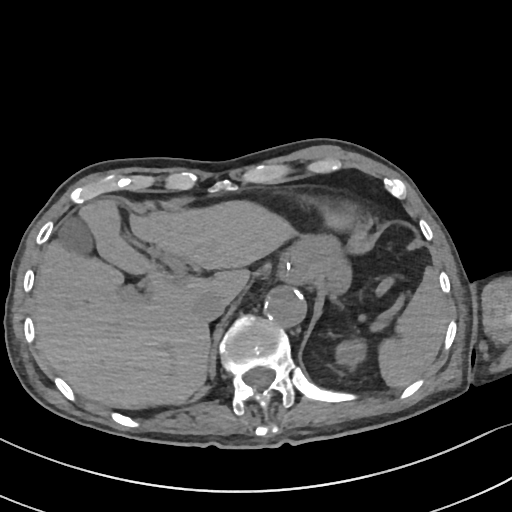 CT, abdomen/pelvis; Axial slice 167/208; abdomen soft-tissue window; 512x512 px
Coordinates as <box>x1,y1,x2,y2</box> in pixels.
Organ bounding boxes:
- spleen: <box>378,267,448,388</box>
- inferior vena cava: <box>194,294,228,321</box>
- gall bladder: <box>58,216,93,255</box>
- left kidney: <box>336,339,366,369</box>
- liver: <box>33,198,293,409</box>
- aorta: <box>264,286,307,327</box>
- stomach: <box>278,236,349,292</box>